Computed tomography, abdomen; axial view; abdomen soft-tissue window; scan has 14 labeled organs (a whole-scan count: organs this slice does not pass through have no box)
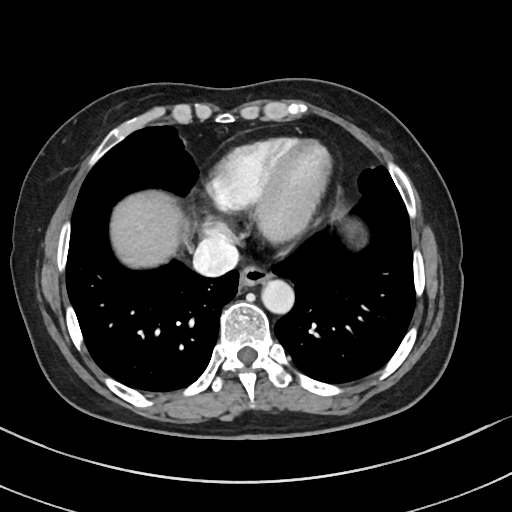

{"organs":{"esophagus":[239,265,271,287],"inferior vena cava":[193,236,239,276],"liver":[110,191,184,267],"aorta":[261,280,294,313]}}